CT, abdomen/pelvis; axial view; soft-tissue window; scan has 15 labeled organs (counted over the whole 3D scan, not this slice; an organ is boxed only where this slice passes through it)
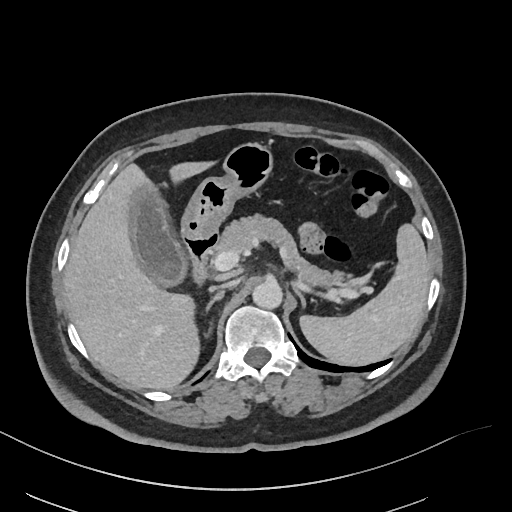

<organs><organ name="spleen" x1="299" y1="223" x2="429" y2="365"/><organ name="gall bladder" x1="130" y1="190" x2="183" y2="284"/><organ name="liver" x1="64" y1="161" x2="215" y2="389"/><organ name="stomach" x1="181" y1="143" x2="272" y2="237"/><organ name="aorta" x1="252" y1="281" x2="282" y2="309"/><organ name="inferior vena cava" x1="213" y1="280" x2="235" y2="290"/><organ name="pancreas" x1="213" y1="214" x2="348" y2="287"/><organ name="right adrenal gland" x1="205" y1="291" x2="224" y2="312"/><organ name="left adrenal gland" x1="292" y1="283" x2="306" y2="307"/><organ name="duodenum" x1="185" y1="234" x2="218" y2="284"/></organs>